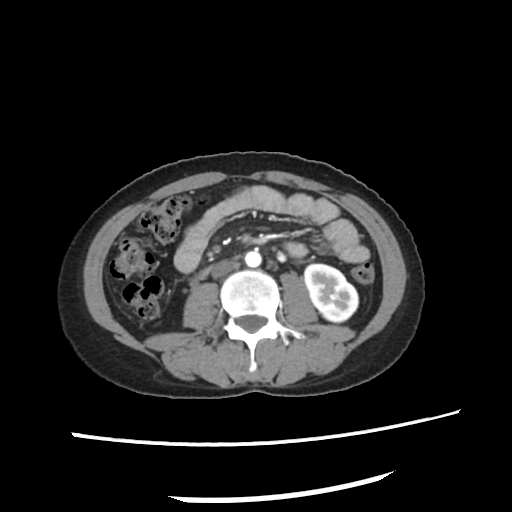 CT, abdomen/pelvis · axial plane, index 50 · W/L 400/40 HU · 512x512 px
<organs><organ name="duodenum" x1="196" y1="265" x2="212" y2="280"/><organ name="aorta" x1="245" y1="252" x2="261" y2="266"/><organ name="inferior vena cava" x1="212" y1="261" x2="236" y2="276"/><organ name="left kidney" x1="305" y1="265" x2="357" y2="321"/></organs>